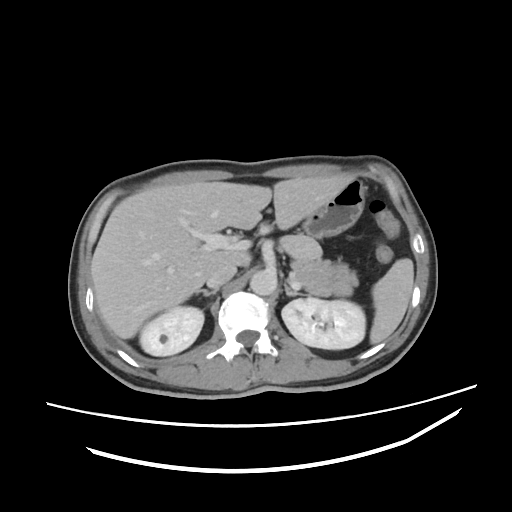

Computed tomography, abdomen · axial view · 49-year-old male patient
Boxes: x1:y1:x2:y2 in pixels.
Organ bounding boxes:
- right adrenal gland: 197:289:217:296
- left adrenal gland: 284:284:302:296
- pancreas: 290:236:358:296
- stomach: 303:179:364:238
- aorta: 250:269:276:295
- left kidney: 281:297:365:349
- spleen: 370:258:413:344
- inferior vena cava: 206:262:236:288
- liver: 91:175:349:338
- right kidney: 139:306:204:355